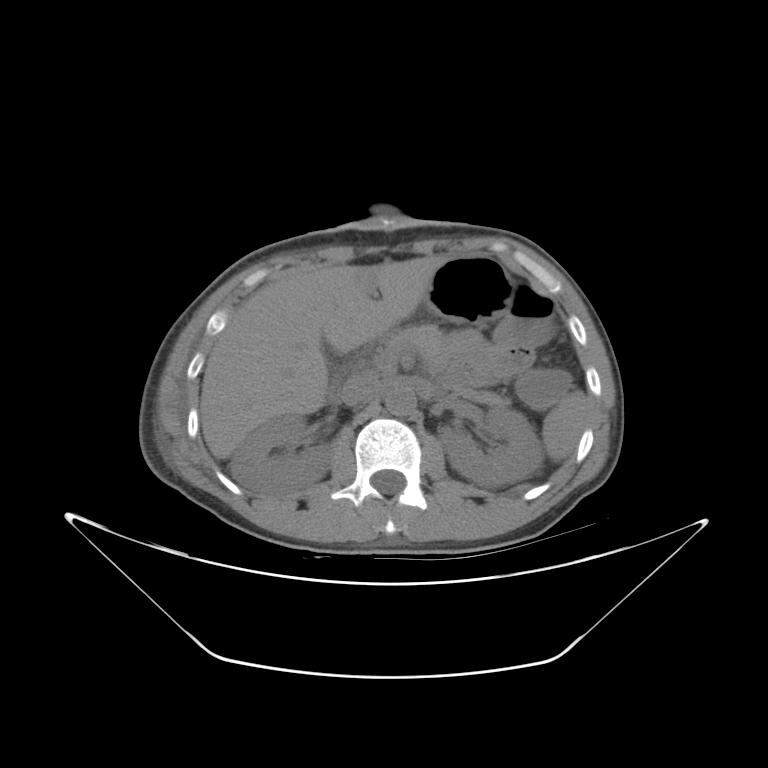 CT abdomen. axial plane, index 64. 39-year-old male patient
{"organs":{"inferior vena cava":[341,375,381,406],"liver":[200,256,444,458],"spleen":[542,391,586,461],"pancreas":[383,324,500,403],"right kidney":[230,414,331,497],"left kidney":[439,406,543,486],"stomach":[422,256,512,324],"aorta":[385,388,416,415]}}